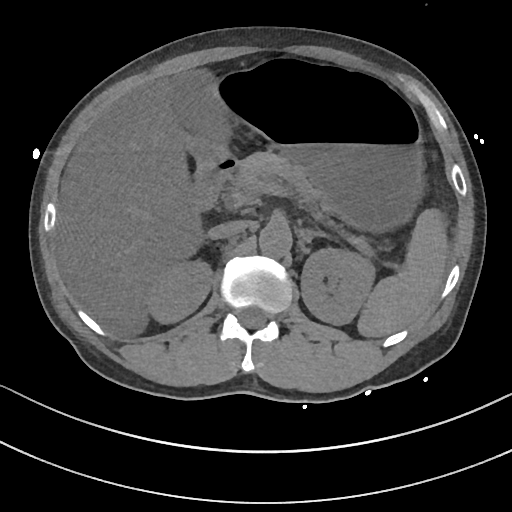 CT, abdomen/pelvis · axial view · W/L 400/40 HU · acquired on SOMATOM Force
Each box given as x1,y1,x2,y2. 12 labeled organs on this slice — right adrenal gland at x1=209, y1=242, x2=211, y2=244; aorta at x1=259, y1=222, x2=292, y2=258; pancreas at x1=240, y1=152, x2=316, y2=207; left kidney at x1=300, y1=249, x2=373, y2=325; right kidney at x1=148, y1=263, x2=211, y2=323; gall bladder at x1=175, y1=70, x2=229, y2=153; duodenum at x1=187, y1=155, x2=239, y2=209; liver at x1=57, y1=75, x2=206, y2=334; left adrenal gland at x1=299, y1=229, x2=327, y2=248; spleen at x1=357, y1=209, x2=447, y2=338; inferior vena cava at x1=207, y1=220, x2=249, y2=239; stomach at x1=189, y1=66, x2=426, y2=236.